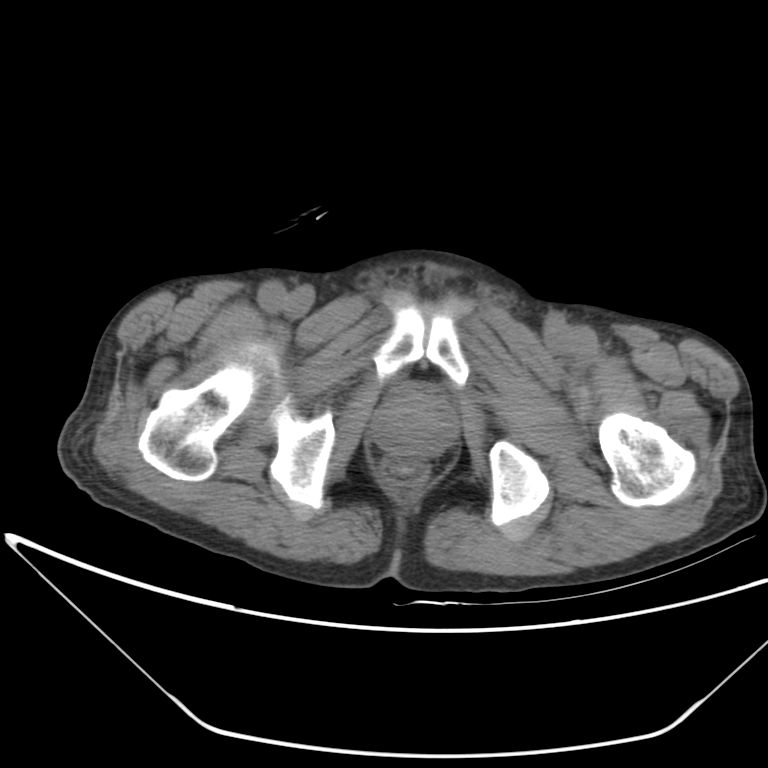

Computed tomography, abdomen. Axial slice 9/82. soft-tissue window (W 400 / L 40). 768x768 px. acquired on Brilliance16. 15 organs annotated in this scan (a whole-scan count: organs this slice does not pass through have no box)
Bounding boxes in pixels, one row per box: x1, y1 is the top-left corner and x2, y2 the bottom-right.
| organ | x1 | y1 | x2 | y2 |
|---|---|---|---|---|
| prostate/uterus | 369 | 386 | 460 | 455 |